CT abdomen · axial view · 512x512 px · 15 organs annotated in this scan (that count is for the whole scan; organs this slice misses have no box)
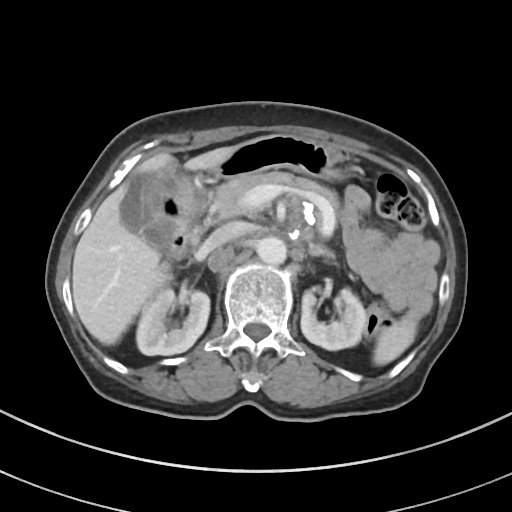

Boxes are (x1, y1, x2, y2) in pixels.
Organ bounding boxes:
- duodenum: (166, 237, 188, 259)
- left adrenal gland: (310, 245, 333, 258)
- left kidney: (301, 288, 366, 350)
- stomach: (147, 135, 350, 241)
- spleen: (373, 312, 418, 365)
- gall bladder: (120, 172, 166, 245)
- liver: (72, 146, 236, 344)
- pancreas: (206, 172, 336, 223)
- right kidney: (136, 289, 209, 355)
- inferior vena cava: (204, 224, 238, 250)
- aorta: (256, 236, 286, 264)